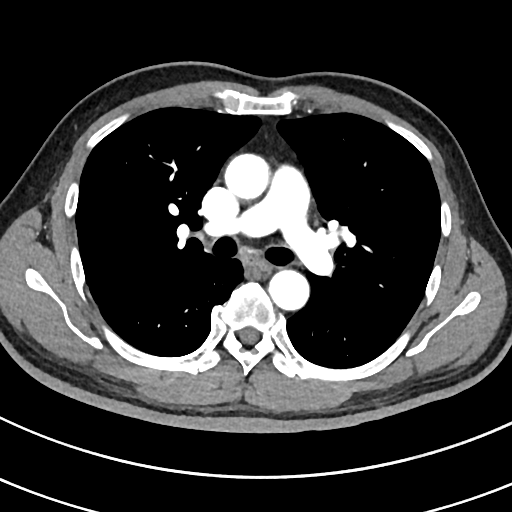 CT of the abdomen extending into the chest, slice through the chest — axial plane, index 241 — 512x512 px — SOMATOM Force scanner
At this level of the chest this dataset labels only the esophagus and the aorta, and each is boxed only where it is labeled; the heart and lungs are never labeled. Boxes: x1:y1:x2:y2 in pixels. 2 labeled organs on this slice — aorta at 224:154:269:200; aorta at 269:270:309:310; esophagus at 248:257:270:274.